Computed tomography, abdomen; axial plane, index 125; abdomen soft-tissue window; 512x512 px; scan has 15 labeled organs (counted over the whole 3D scan, not this slice; an organ is boxed only where this slice passes through it)
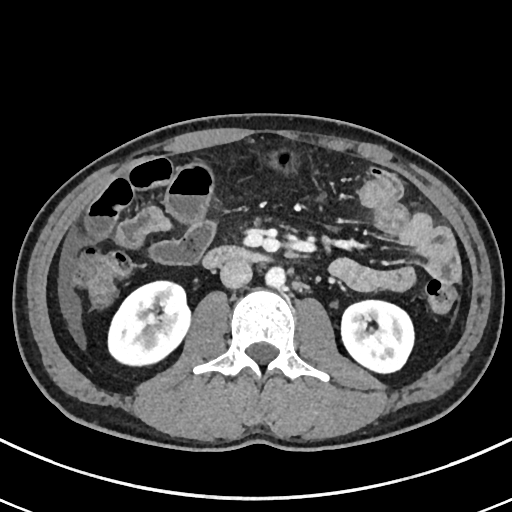 Bounding boxes as [x1, y1, x2, y2] in pixel coordinates. The annotated organs in this slice are: right kidney at [107, 281, 191, 367], left kidney at [341, 300, 415, 373], aorta at [266, 267, 285, 288], inferior vena cava at [220, 260, 252, 288], duodenum at [201, 245, 275, 268].